CT abdomen · axial view · soft-tissue window · 768x768 px · 39-year-old male patient
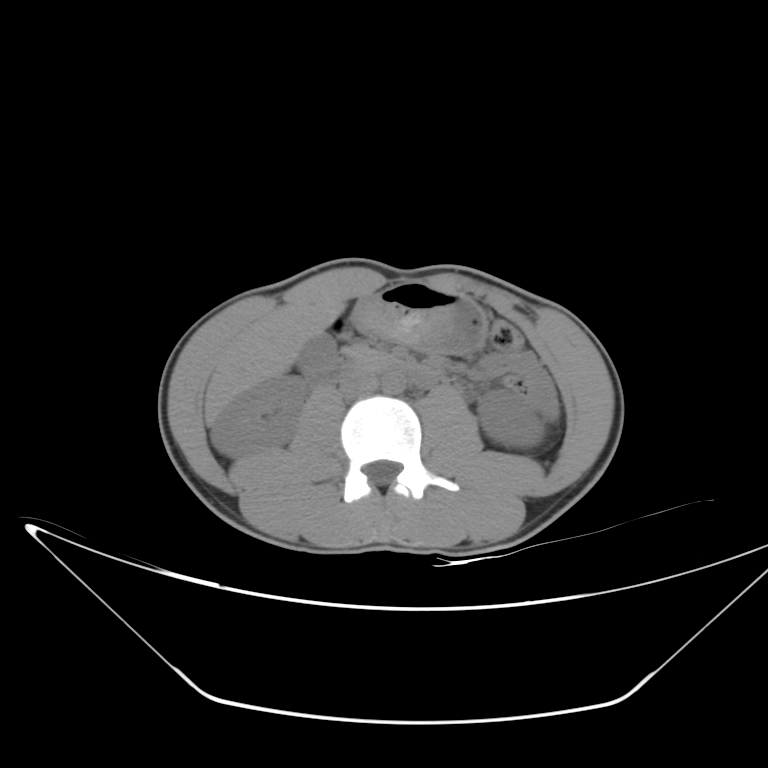
One row per box, in pixels: columns x1 and y1 give the top-left corner, x2 and y2 the bottom-right.
| organ | x1 | y1 | x2 | y2 |
|---|---|---|---|---|
| right kidney | 210 | 375 | 307 | 458 |
| left kidney | 478 | 391 | 543 | 446 |
| gall bladder | 299 | 334 | 335 | 365 |
| liver | 205 | 290 | 348 | 420 |
| stomach | 352 | 283 | 486 | 354 |
| aorta | 381 | 371 | 405 | 393 |
| inferior vena cava | 339 | 371 | 379 | 398 |
| pancreas | 346 | 347 | 389 | 370 |
| duodenum | 306 | 358 | 439 | 387 |